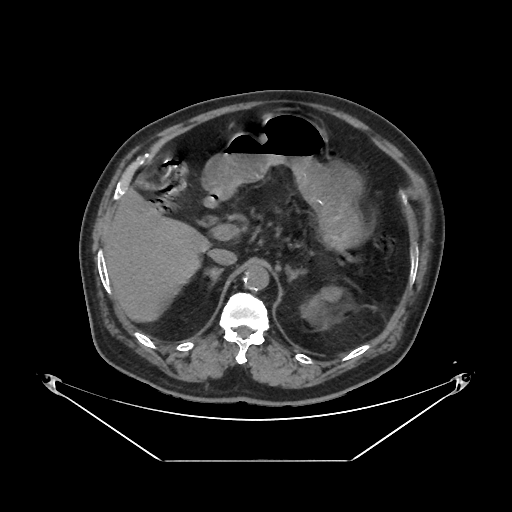

CT, abdomen/pelvis · axial view · soft-tissue window (W 400 / L 40) · 15 organs annotated in this scan (counted over the whole 3D scan, not this slice; an organ is boxed only where this slice passes through it)
Bounding boxes as [x1, y1, x2, y2] in pixel coordinates.
Organ bounding boxes:
- liver: [105, 188, 208, 320]
- left adrenal gland: [285, 265, 301, 281]
- duodenum: [203, 192, 224, 208]
- inferior vena cava: [208, 248, 236, 264]
- left kidney: [300, 286, 342, 331]
- right adrenal gland: [203, 267, 223, 285]
- aorta: [243, 265, 268, 290]
- stomach: [201, 113, 365, 249]